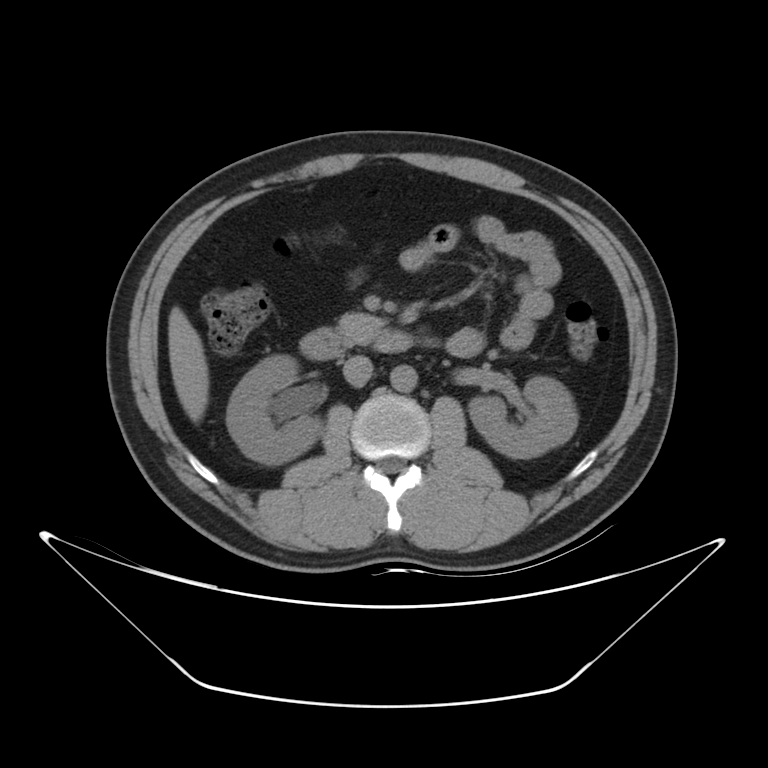
CT abdomen — axial view — 768x768 px — 15 organs annotated in this scan (counted over the whole 3D scan, not this slice; an organ is boxed only where this slice passes through it)
Each box given as x1,y1,x2,y2.
Organ bounding boxes:
- liver: x1=169, y1=306, x2=209, y2=422
- left kidney: x1=470, y1=376, x2=578, y2=458
- duodenum: x1=300, y1=328, x2=413, y2=359
- aorta: x1=390, y1=364, x2=417, y2=391
- right kidney: x1=226, y1=355, x2=322, y2=463
- pancreas: x1=337, y1=313, x2=385, y2=344
- inferior vena cava: x1=342, y1=355, x2=372, y2=386